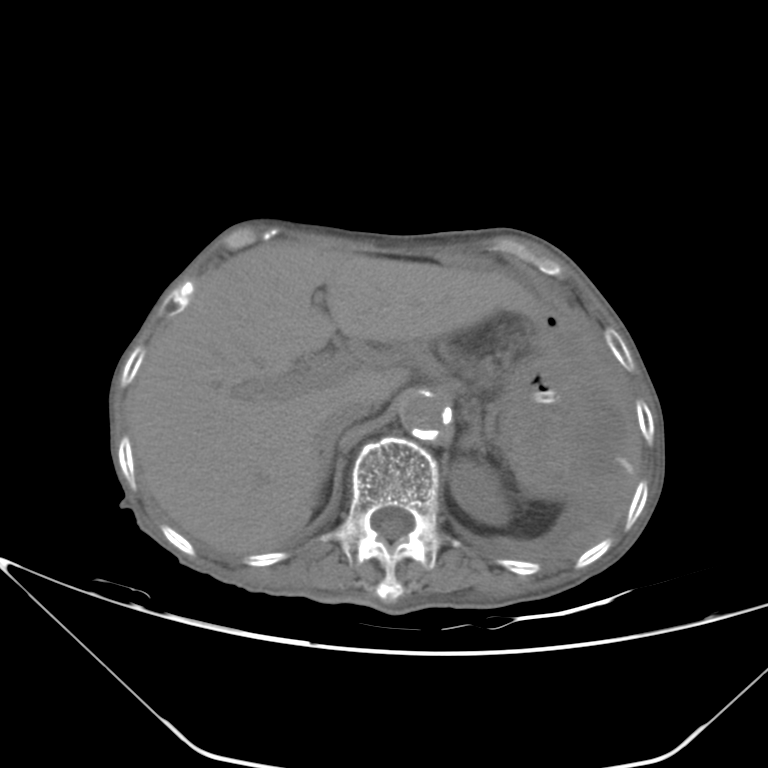 Abdominal CT; axial view; 768x768 px
<organs><organ name="left kidney" x1="450" y1="459" x2="510" y2="525"/><organ name="liver" x1="128" y1="241" x2="540" y2="554"/><organ name="stomach" x1="499" y1="350" x2="588" y2="491"/><organ name="aorta" x1="399" y1="391" x2="448" y2="439"/><organ name="inferior vena cava" x1="316" y1="400" x2="369" y2="447"/><organ name="right adrenal gland" x1="321" y1="434" x2="467" y2="483"/><organ name="left adrenal gland" x1="459" y1="413" x2="485" y2="455"/></organs>